Computed tomography, abdomen · axial view · W/L 400/40 HU · 512x512 px
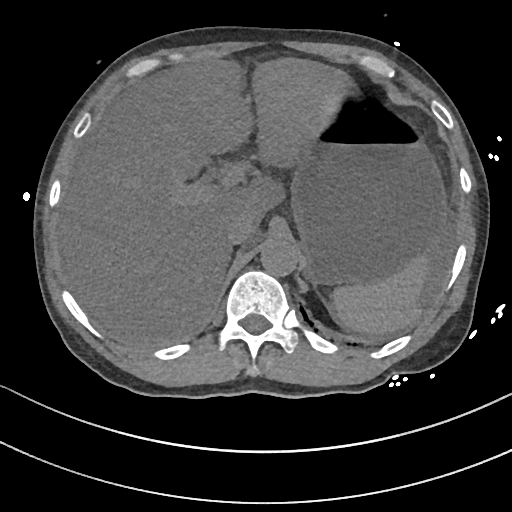

Boxes are (x1, y1, x2, y2) in pixels.
Organ bounding boxes:
- stomach: (291, 96, 447, 285)
- spleen: (331, 255, 428, 334)
- liver: (59, 57, 352, 345)
- inferior vena cava: (226, 218, 251, 245)
- aorta: (260, 239, 298, 276)